CT abdomen · axial view · 512x512 px
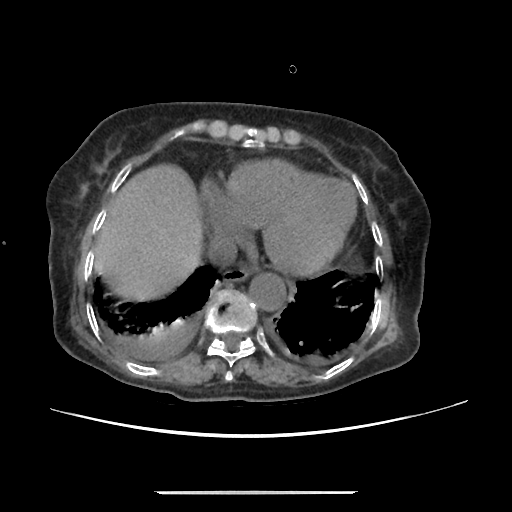

Boxes are (x1, y1, x2, y2) in pixels.
esophagus: (223, 267, 250, 281)
liver: (95, 163, 203, 303)
aorta: (249, 273, 285, 310)
inferior vena cava: (207, 234, 236, 267)